Abdominal CT reaching into the chest; this slice is in the chest · axial view · W/L 400/40 HU · 512x512 px
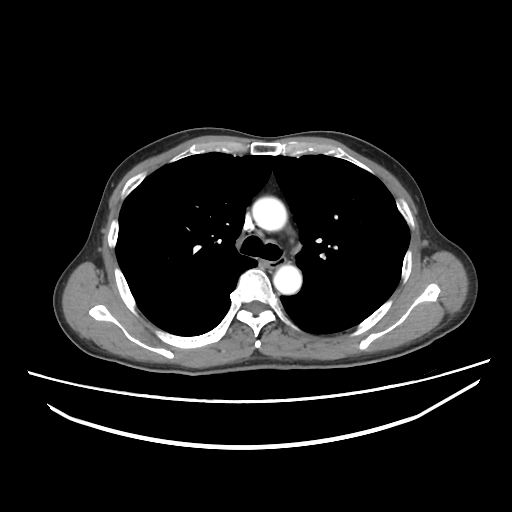

At this level of the chest no structure but the esophagus and the aorta has a label in this dataset, and those two are boxed only where they are labeled.
{"organs":{"esophagus":[267,255,286,268],"aorta":[[252,196,287,231],[273,265,301,294]]}}